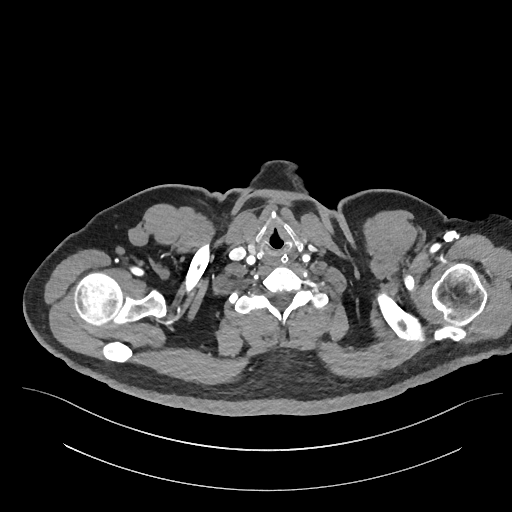

Chest-level CT slice, above the liver and spleen — axial view — soft-tissue window, W/L 400/40
At this level of the chest no structure but the esophagus and the aorta has a label in this dataset, and those two are boxed only where they are labeled.
Box edges are left/top/right/bottom in pixels.
esophagus: left=268, top=252, right=291, bottom=264